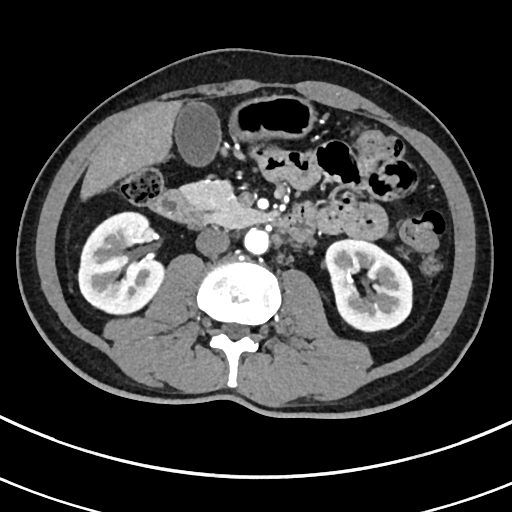
Computed tomography, abdomen — axial view — abdomen soft-tissue window — 15 organs annotated in this scan (counted over the whole 3D scan, not this slice; an organ is boxed only where this slice passes through it)
<organs><organ name="aorta" x1="243" y1="228" x2="269" y2="254"/><organ name="right kidney" x1="78" y1="212" x2="163" y2="314"/><organ name="liver" x1="81" y1="101" x2="181" y2="199"/><organ name="gall bladder" x1="174" y1="101" x2="220" y2="165"/><organ name="duodenum" x1="151" y1="191" x2="315" y2="241"/><organ name="stomach" x1="229" y1="95" x2="315" y2="140"/><organ name="left kidney" x1="325" y1="239" x2="412" y2="331"/><organ name="inferior vena cava" x1="196" y1="228" x2="229" y2="256"/><organ name="pancreas" x1="181" y1="180" x2="267" y2="228"/></organs>